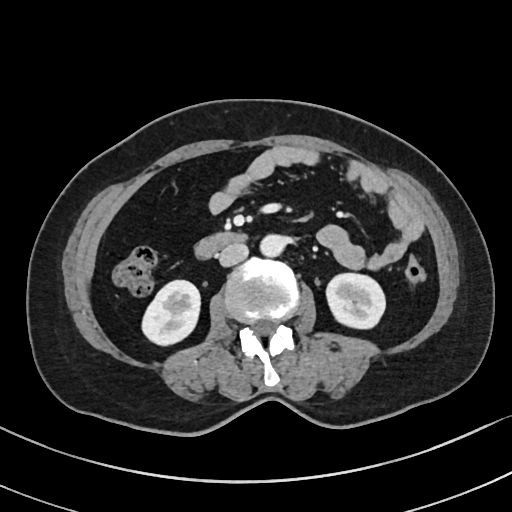
CT, abdomen/pelvis. axial plane, index 132. soft-tissue window
Coordinates as <box>x1,y1,x2,y2</box> in pixels. The annotated organs in this slice are: inferior vena cava at <box>219,243,247,266</box>, aorta at <box>259,235,284,257</box>, right kidney at <box>141,279,200,346</box>, left kidney at <box>325,272,386,329</box>, duodenum at <box>193,231,248,261</box>.